CT, abdomen/pelvis — axial view — 512x512 px
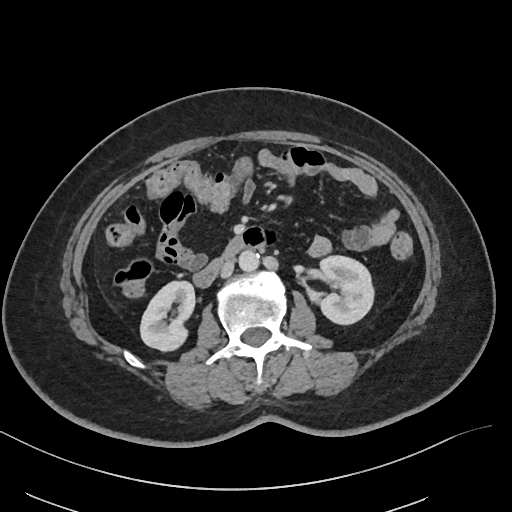

Boxes: x1 y1 x2 y2 (pixel coords, space-separated).
Organ bounding boxes:
- duodenum: 193 236 247 287
- inferior vena cava: 220 260 234 277
- aorta: 239 250 259 271
- right kidney: 140 281 195 351
- left kidney: 308 255 373 324